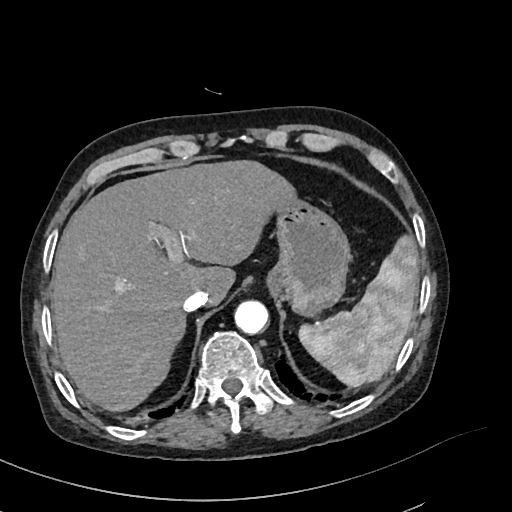

CT, abdomen/pelvis · Axial slice 194/235 · abdomen soft-tissue window · 512x512 px
<organs><organ name="spleen" x1="298" y1="235" x2="418" y2="386"/><organ name="liver" x1="51" y1="160" x2="295" y2="411"/><organ name="stomach" x1="266" y1="196" x2="350" y2="316"/><organ name="aorta" x1="234" y1="300" x2="268" y2="334"/><organ name="inferior vena cava" x1="183" y1="289" x2="208" y2="311"/></organs>